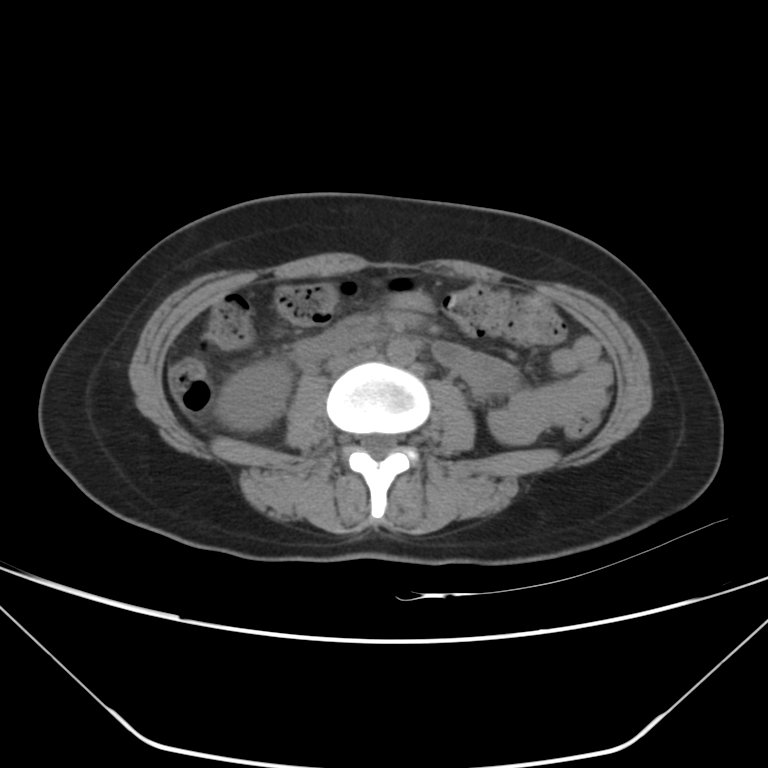

CT abdomen — axial view — 768x768 px — 32-year-old female patient — acquired on Brilliance16
Boxes: x1 y1 x2 y2 (pixel coords, space-separated).
Organ bounding boxes:
- aorta: 387 338 415 364
- inferior vena cava: 326 348 375 371
- duodenum: 294 330 384 364
- right kidney: 215 362 290 430